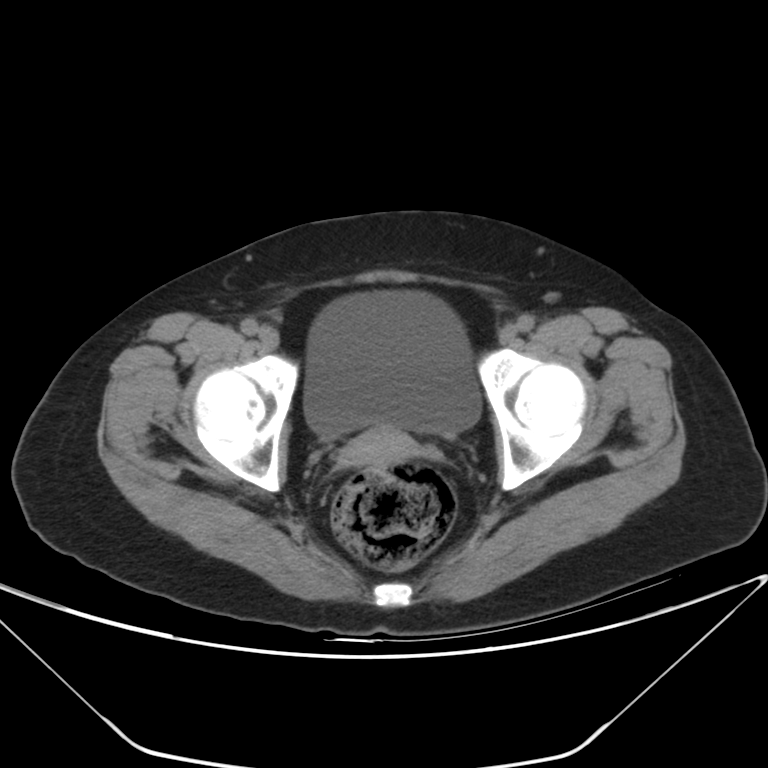 CT abdomen · axial view · soft-tissue window (W 400 / L 40) · acquired on Brilliance16 · 14 organs annotated in this scan (a whole-scan count: organs this slice does not pass through have no box)
Organ boxes in pixel coordinates; each row gives the top-left (x1, y1) and bottom-right (x2, y2) corners.
| organ | x1 | y1 | x2 | y2 |
|---|---|---|---|---|
| prostate/uterus | 341 | 426 | 419 | 468 |
| bladder | 303 | 291 | 481 | 438 |